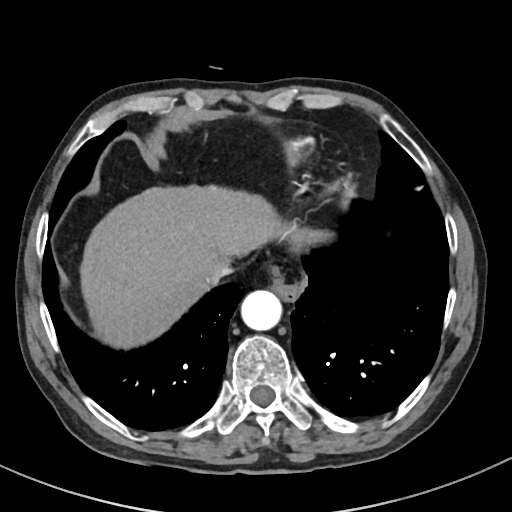

Computed tomography, abdomen · Axial slice 204/303 · soft-tissue window · SOMATOM Force scanner
<organs><organ name="inferior vena cava" x1="207" y1="258" x2="234" y2="282"/><organ name="liver" x1="82" y1="186" x2="322" y2="345"/><organ name="aorta" x1="241" y1="290" x2="282" y2="330"/><organ name="esophagus" x1="265" y1="265" x2="307" y2="301"/></organs>